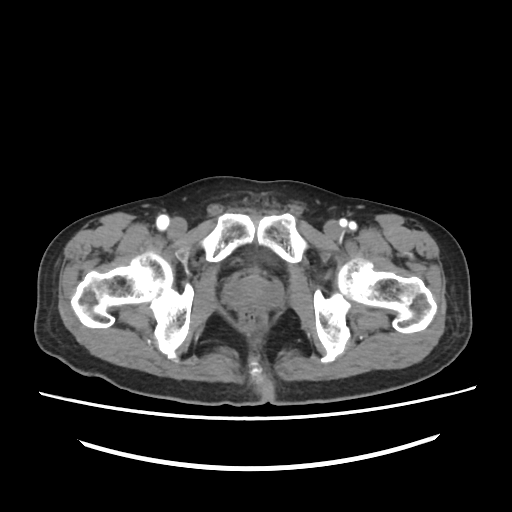
CT, abdomen/pelvis — Axial slice 14/134 — 512x512 px — 65-year-old male patient
{"organs":{"prostate/uterus":[227,275,280,312]}}